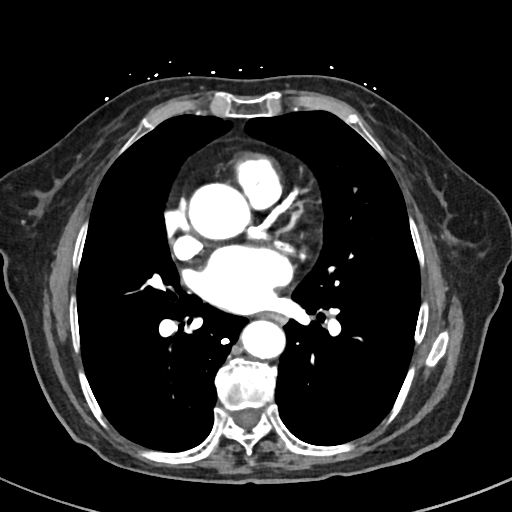 CT of the abdomen reaching into the lower chest, slice just above the liver and spleen · axial view · soft-tissue window (W 400 / L 40) · 512x512 px
The heart and lungs are never labeled in this dataset, so they have no box on this slice. Bounding boxes as [x1, y1, x2, y2] in pixel coordinates. 2 labeled organs on this slice — aorta at [187, 183, 248, 239]; aorta at [241, 320, 286, 359]; esophagus at [263, 312, 286, 323].